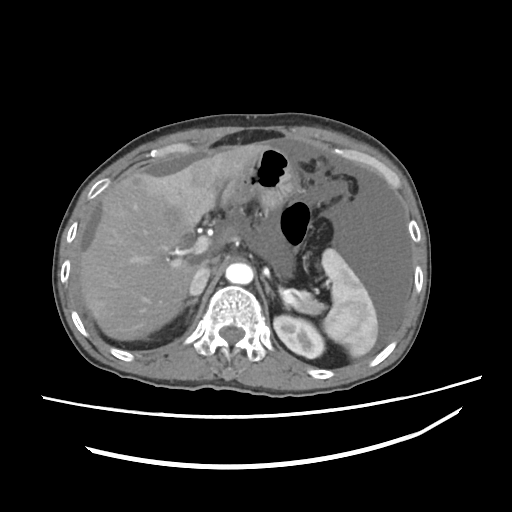
Abdominal CT; axial view; soft-tissue window (W 400 / L 40); 50-year-old male patient
Coordinates as <box>x1,y1,x2,y2</box> in pixels.
spleen: <box>322,249,377,356</box>
left kidney: <box>272,315,325,358</box>
gall bladder: <box>167,210,193,249</box>
liver: <box>76,142,333,341</box>
stomach: <box>220,146,299,208</box>
aorta: <box>226,263,254,283</box>
inferior vena cava: <box>189,261,210,295</box>
pancreas: <box>292,294,320,315</box>
right adrenal gland: <box>176,298,197,324</box>
left adrenal gland: <box>264,284,275,297</box>